Computed tomography, abdomen. axial view
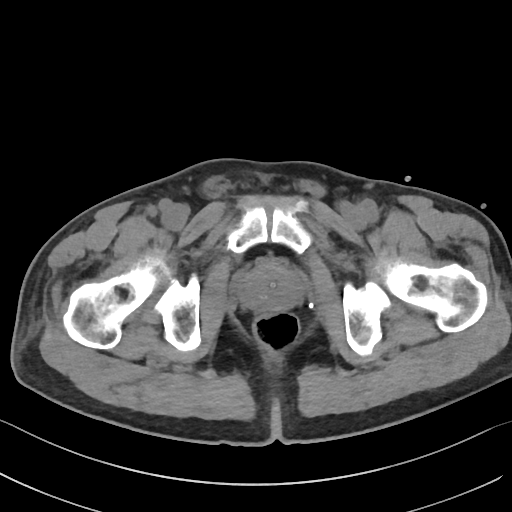
{"organs":{"prostate/uterus":[238,263,301,311]}}